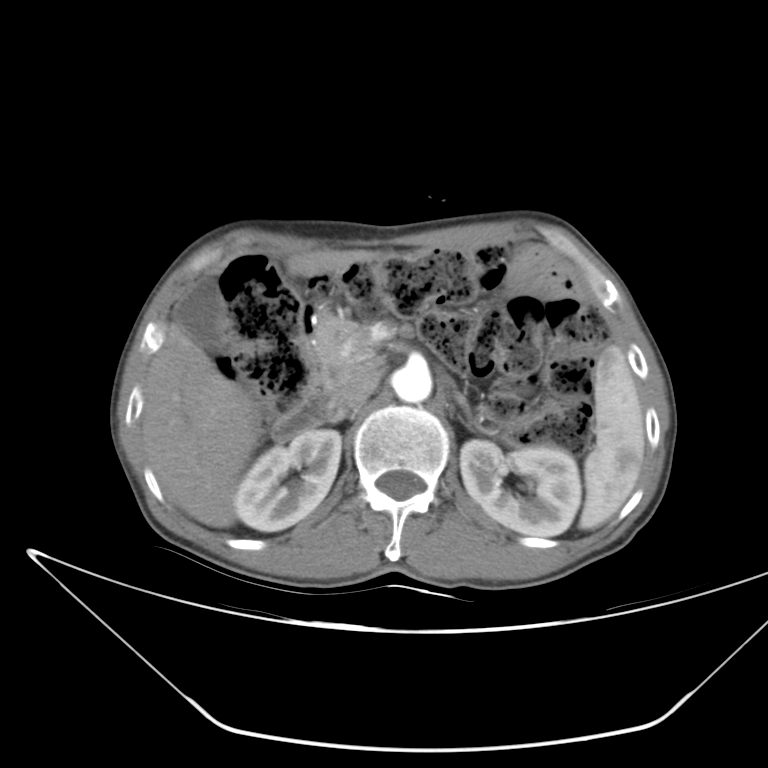

CT, abdomen/pelvis · axial view · soft-tissue window (W 400 / L 40) · 768x768 px · scan has 13 labeled organs (a whole-scan count: organs this slice does not pass through have no box)
Box edges are left/top/right/bottom in pixels.
Organ bounding boxes:
- spleen: left=579, top=345, right=645, bottom=529
- right kidney: left=234, top=429, right=341, bottom=531
- left kidney: left=460, top=440, right=581, bottom=536
- gall bladder: left=174, top=276, right=223, bottom=349
- liver: left=141, top=249, right=386, bottom=527
- aorta: left=392, top=363, right=432, bottom=402
- inferior vena cava: left=327, top=371, right=379, bottom=420
- pancreas: left=312, top=313, right=378, bottom=395
- left adrenal gland: left=454, top=392, right=472, bottom=419
- duodenum: left=272, top=306, right=331, bottom=438